Abdominal CT · Axial slice 57/80 · 512x512 px
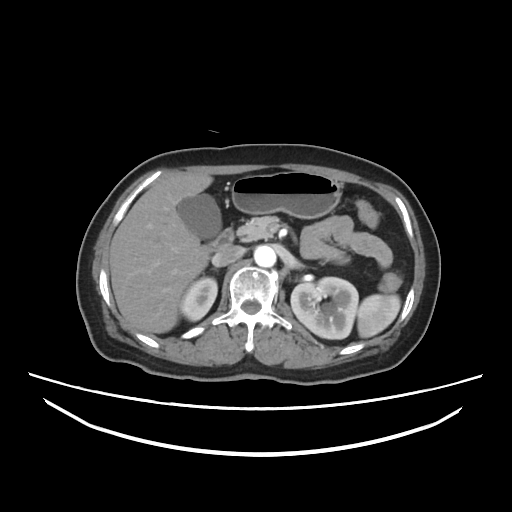

Bounding boxes as [x1, y1, x2, y2] in pixel coordinates.
spleen: [356, 294, 399, 338]
right kidney: [181, 276, 217, 321]
left kidney: [290, 278, 359, 338]
gall bladder: [176, 192, 219, 239]
liver: [109, 173, 212, 333]
stomach: [229, 171, 341, 218]
aorta: [253, 245, 277, 267]
inferior vena cava: [213, 246, 243, 267]
pancreas: [234, 215, 278, 240]
duodenum: [203, 230, 234, 252]